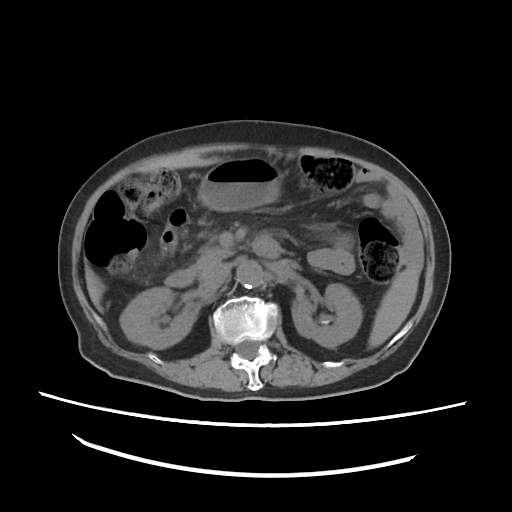 CT, abdomen/pelvis. Axial slice 63/100. scan has 15 labeled organs (that count is for the whole scan; organs this slice misses have no box)
{"organs":{"spleen":[368,269,419,346],"right kidney":[120,287,198,348],"left kidney":[292,282,361,346],"liver":[86,156,221,310],"stomach":[197,156,281,210],"aorta":[237,260,262,288],"inferior vena cava":[200,262,229,287],"pancreas":[193,248,233,277],"duodenum":[165,237,278,288]}}